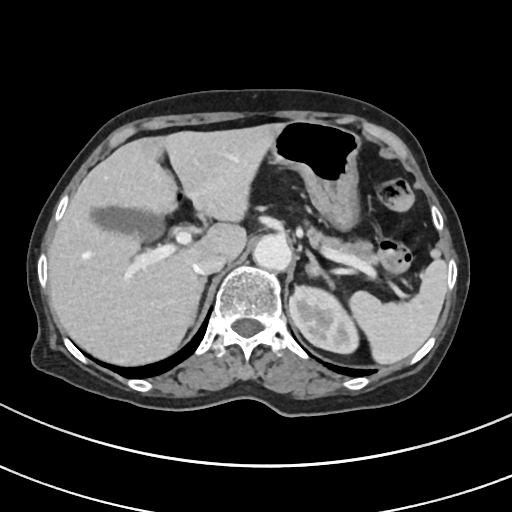
Computed tomography, abdomen; axial view
Boxes are (x1, y1, x2, y2) in pixels. The annotated organs in this slice are: spleen at (349, 259, 447, 364), left kidney at (289, 286, 358, 353), gall bladder at (93, 208, 164, 241), liver at (48, 123, 282, 365), stomach at (269, 120, 360, 230), aorta at (253, 234, 291, 270), inferior vena cava at (193, 252, 227, 275), pancreas at (308, 227, 374, 264), right adrenal gland at (187, 278, 206, 325), left adrenal gland at (305, 250, 334, 290).